Chest-level CT slice, above the liver and spleen — axial view — 512x512 px — 15 organs annotated in this scan (a whole-scan count: organs this slice does not pass through have no box)
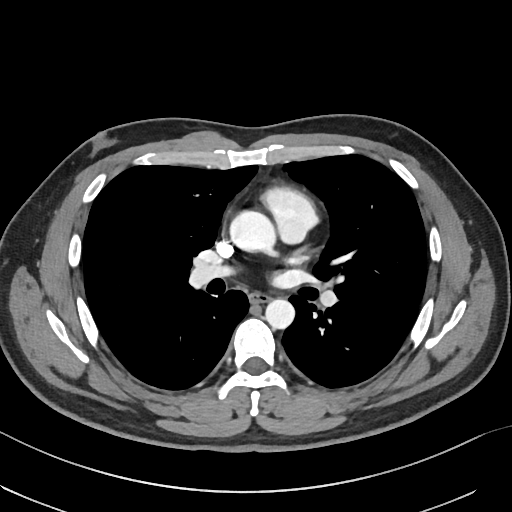 At this level of the chest this dataset labels only the esophagus and the aorta, and each is boxed only where it is labeled; the heart and lungs are never labeled. Boxes: x1 y1 x2 y2 (pixel coords, space-separated). 2 labeled organs on this slice — esophagus at 250 292 270 302; aorta at 231 211 277 255; aorta at 265 298 294 328.